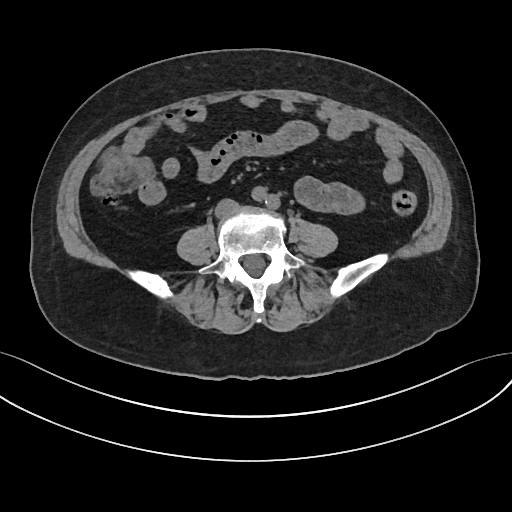 CT abdomen. axial view. soft-tissue window. scan has 15 labeled organs (a whole-scan count: organs this slice does not pass through have no box)
Boxes: x1:y1:x2:y2 in pixels.
Organ bounding boxes:
- inferior vena cava: 216:200:236:214